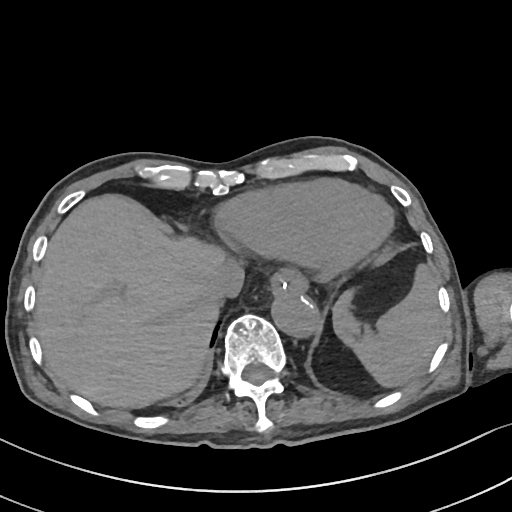 CT, abdomen/pelvis. axial view. scan has 15 labeled organs (counted over the whole 3D scan, not this slice; an organ is boxed only where this slice passes through it)
{"organs":{"spleen":[333,266,444,387],"esophagus":[270,269,307,294],"liver":[34,194,227,408],"aorta":[271,290,316,336],"inferior vena cava":[202,266,244,310]}}